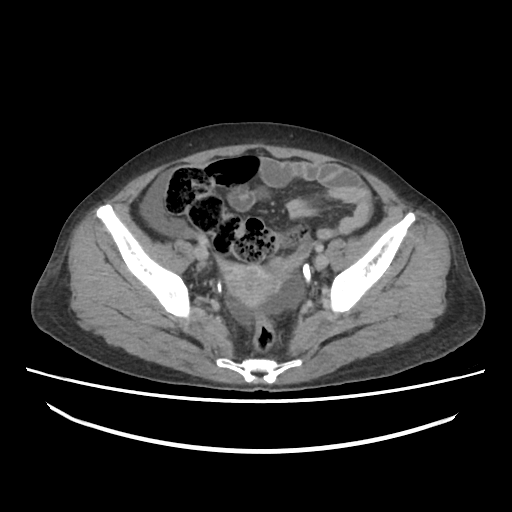
CT abdomen · axial plane, index 25 · 15 organs annotated in this scan (counted over the whole 3D scan, not this slice; an organ is boxed only where this slice passes through it)
Bounding boxes in pixels, one row per box: x1, y1 is the top-left corner and x2, y2 the bottom-right.
| organ | x1 | y1 | x2 | y2 |
|---|---|---|---|---|
| prostate/uterus | 224 | 266 | 277 | 302 |